CT abdomen. Axial slice 45/84. soft-tissue window (W 400 / L 40). 512x512 px
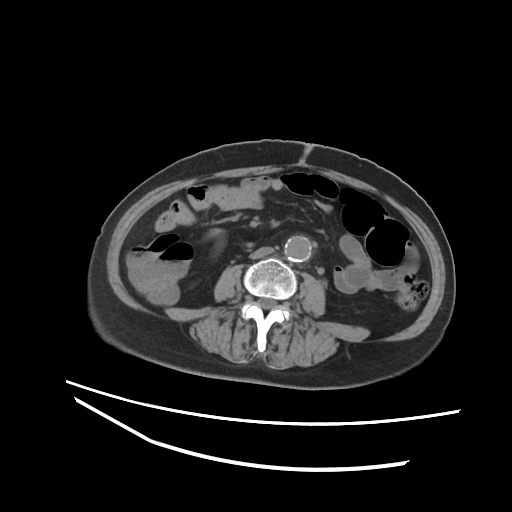 Boxes: x1:y1:x2:y2 in pixels. 2 labeled organs on this slice — aorta at 284:236:311:261; inferior vena cava at 249:247:274:259.